Computed tomography, abdomen — axial view — abdomen soft-tissue window
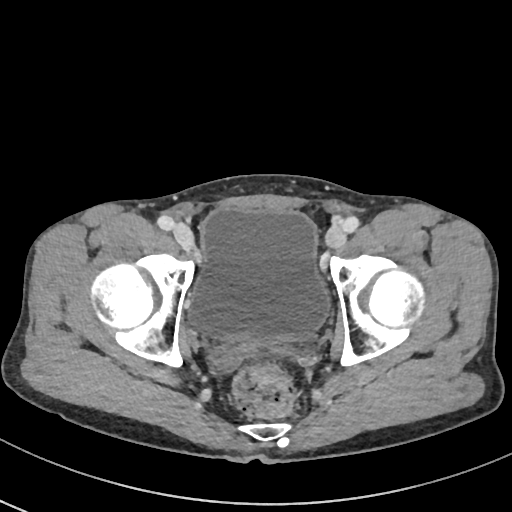 Each box given as x1,y1,x2,y2.
bladder: x1=189, y1=209, x2=330, y2=341